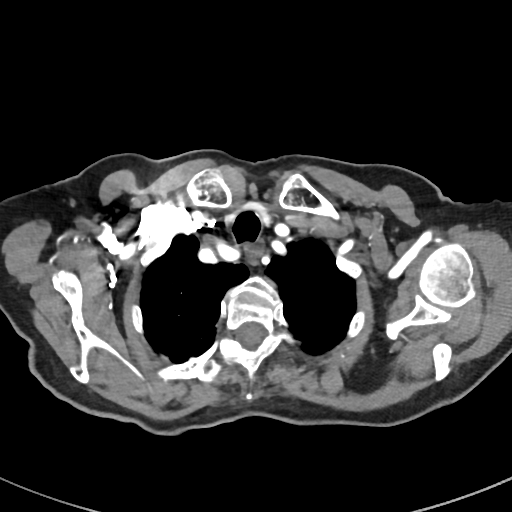

Chest-level slice from an abdominal CT that extends up into the chest; axial view; soft-tissue window (W 400 / L 40)
At this level of the chest no structure but the esophagus and the aorta has a label in this dataset, and those two are boxed only where they are labeled.
{"organs":{"esophagus":[248,244,260,266]}}